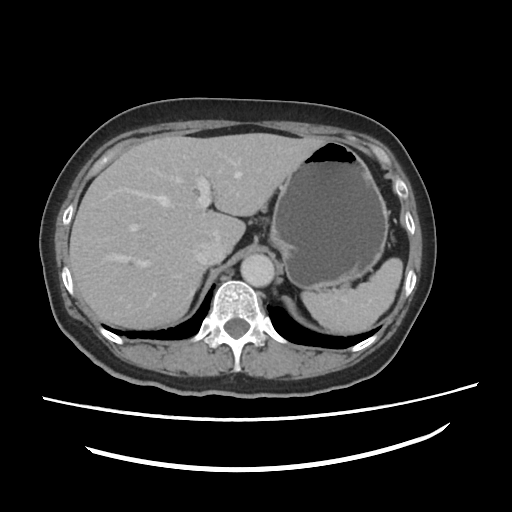

Computed tomography, abdomen · axial plane, index 75 · soft-tissue window · 512x512 px · 61-year-old female patient · Aquilion ONE scanner
Coordinates as <box>x1,y1,x2,y2</box> in pixels. 5 labeled organs on this slice — spleen at <box>301,257,403,333</box>; liver at <box>69,133,328,327</box>; stomach at <box>268,140,388,289</box>; aorta at <box>241,255,275,287</box>; inferior vena cava at <box>191,240,223,264</box>.